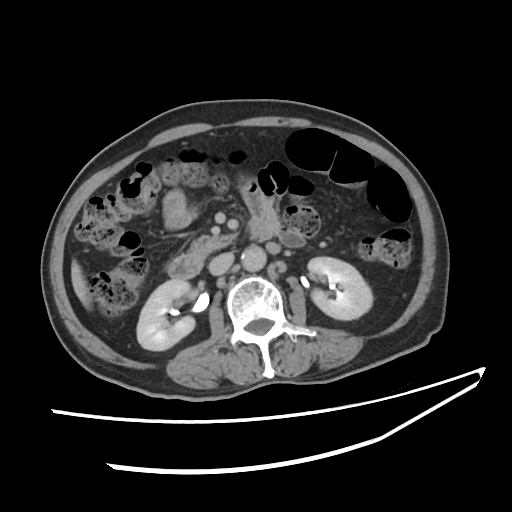
Abdominal CT; Axial slice 62/91; 83-year-old male patient
Box edges are left/top/right/bottom in pixels.
right kidney: left=136, top=278, right=194, bottom=350
left kidney: left=306, top=257, right=373, bottom=320
liver: left=71, top=259, right=93, bottom=308
aorta: left=241, top=246, right=265, bottom=270
inferior vena cava: left=209, top=254, right=233, bottom=274
pancreas: left=195, top=233, right=238, bottom=249
duodenum: left=168, top=211, right=278, bottom=278